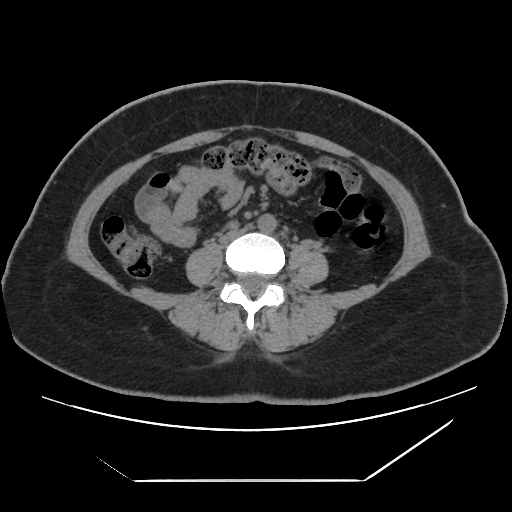
Abdominal CT — axial plane, index 155 — W/L 400/40 HU — 512x512 px — 15 organs annotated in this scan (counted over the whole 3D scan, not this slice; an organ is boxed only where this slice passes through it)
{"organs":{"aorta":[257,214,276,233],"inferior vena cava":[220,226,250,243]}}